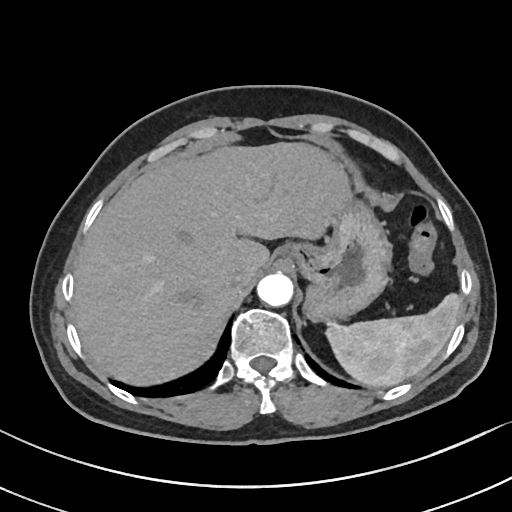
Abdominal CT. axial plane, index 180. 512x512 px
Organ boxes in pixel coordinates; each row gives the top-left (x1, y1) and bottom-right (x2, y2) corners.
| organ | x1 | y1 | x2 | y2 |
|---|---|---|---|---|
| spleen | 326 | 293 | 461 | 387 |
| aorta | 257 | 272 | 293 | 306 |
| stomach | 281 | 202 | 391 | 321 |
| inferior vena cava | 224 | 265 | 253 | 288 |
| liver | 73 | 142 | 350 | 385 |